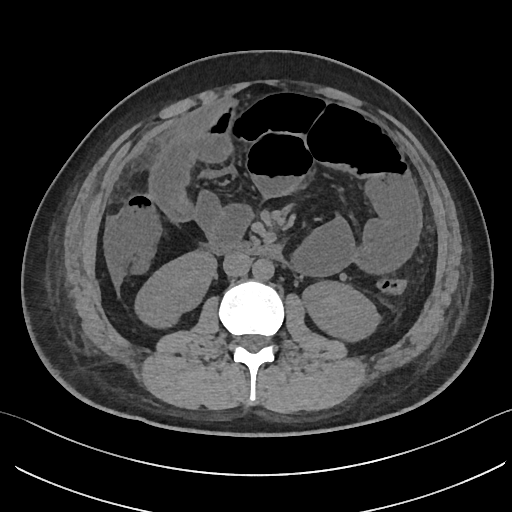 CT, abdomen/pelvis · axial view · scan has 15 labeled organs (that count is for the whole scan; organs this slice misses have no box)
{"organs":{"inferior vena cava":[223,253,251,276],"right kidney":[134,250,217,328],"left kidney":[302,280,381,343],"aorta":[252,259,274,281],"duodenum":[209,241,284,260]}}